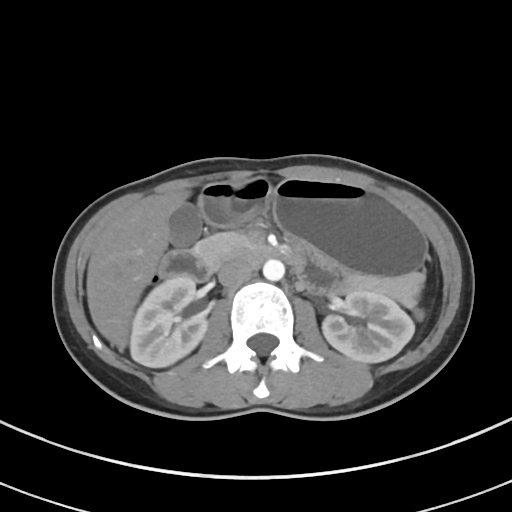 CT abdomen; axial plane, index 52; abdomen soft-tissue window; scan has 15 labeled organs (counted over the whole 3D scan, not this slice; an organ is boxed only where this slice passes through it)
Coordinates as <box>x1,y1,x2,y2</box> in pixels. Labeled organs on this slice: right kidney at <box>130,276,207,367</box>, left kidney at <box>322,290,414,362</box>, gall bladder at <box>168,203,202,246</box>, liver at <box>86,191,188,348</box>, stomach at <box>198,178,426,276</box>, aorta at <box>263,259,284,280</box>, inferior vena cava at <box>218,258,253,287</box>, pancreas at <box>192,232,423,306</box>, duodenum at <box>157,246,308,281</box>.